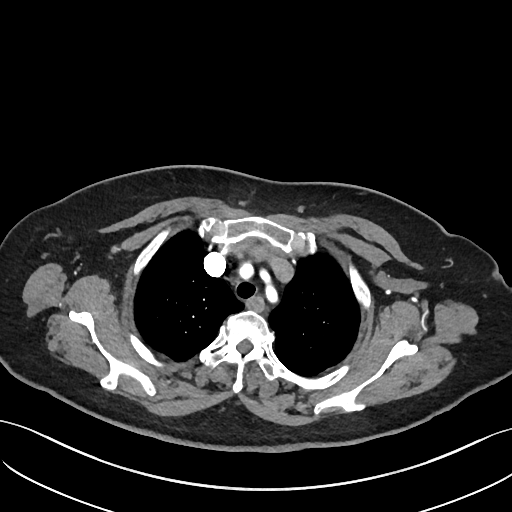 CT of the abdomen extending into the chest, slice through the chest — axial view — soft-tissue window — 512x512 px
At this level of the chest no structure but the esophagus and the aorta has a label in this dataset, and those two are boxed only where they are labeled.
<organs><organ name="esophagus" x1="247" y1="296" x2="263" y2="311"/></organs>